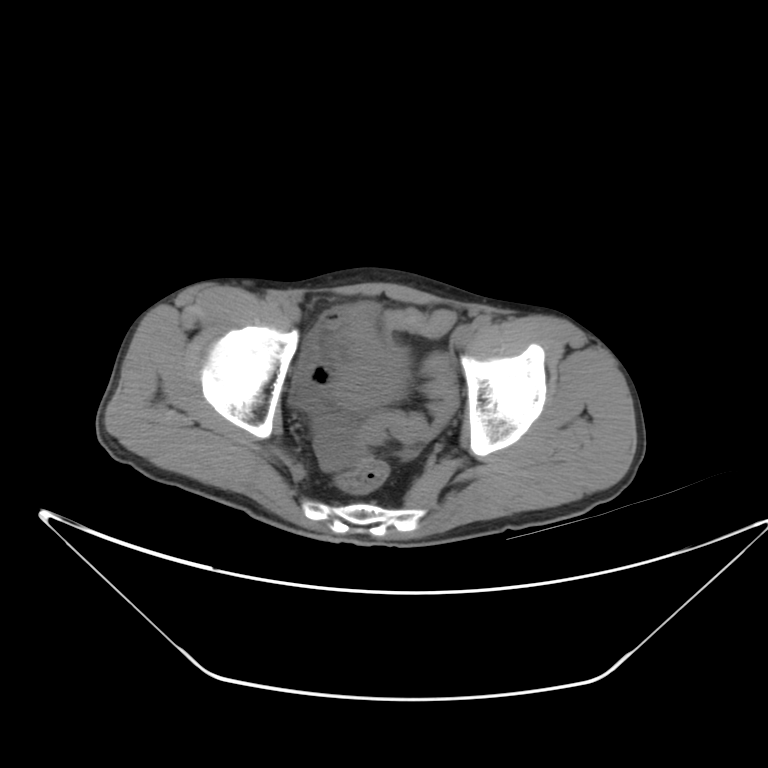 CT abdomen · axial view · 768x768 px
Each box given as x1,y1,x2,y2.
bladder: x1=334, y1=351, x2=407, y2=407